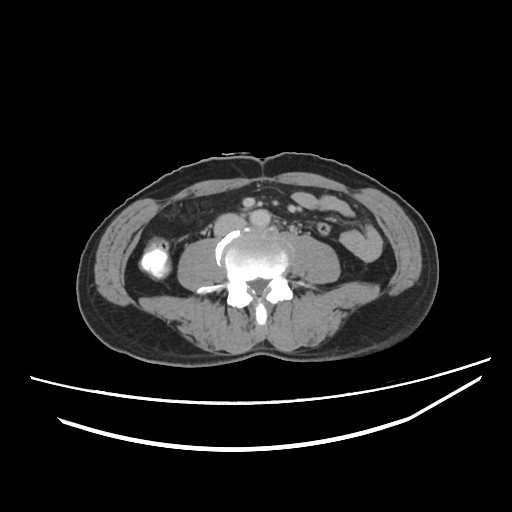 Abdominal CT. axial plane, index 57. soft-tissue window
<organs><organ name="aorta" x1="249" y1="209" x2="270" y2="226"/><organ name="inferior vena cava" x1="214" y1="215" x2="245" y2="234"/></organs>